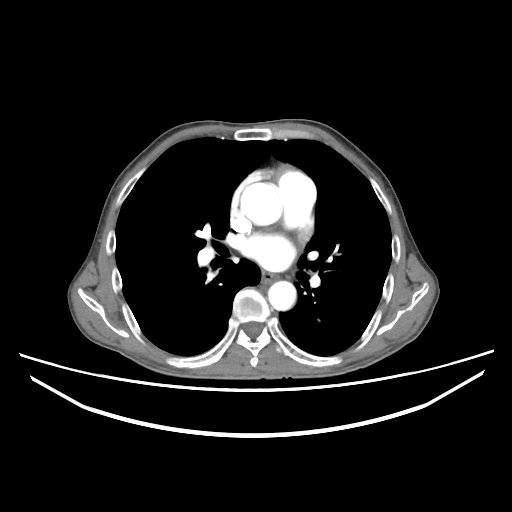
Abdominal CT reaching into the chest; this slice is in the chest · axial view · soft-tissue window · 512x512 px · scan has 14 labeled organs (that count is for the whole scan; organs this slice misses have no box)
On a slice this high in the chest, this dataset labels only the esophagus and the aorta, and each is boxed only where it is labeled; the heart, lungs and other chest structures are not labeled.
Boxes are (x1, y1, x2, y2) in pixels.
esophagus: (261, 272, 276, 283)
aorta: (240, 183, 282, 225)
aorta: (268, 281, 296, 310)